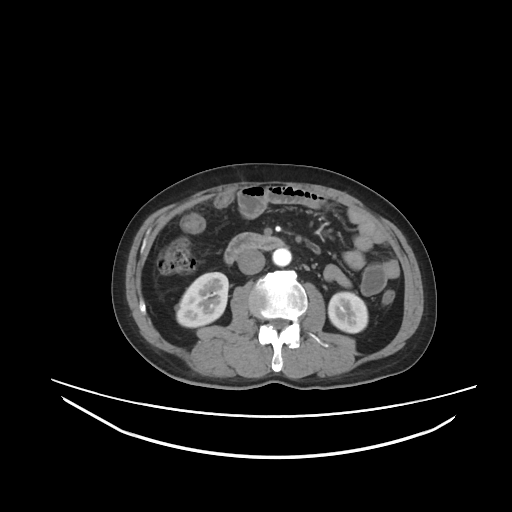 CT abdomen. axial view
{"organs":{"right kidney":[176,272,228,327],"left kidney":[328,292,367,332],"aorta":[272,248,291,266],"inferior vena cava":[237,249,265,274],"duodenum":[224,233,285,263]}}